Abdominal CT. Axial slice 20/88. 768x768 px. 80-year-old female patient
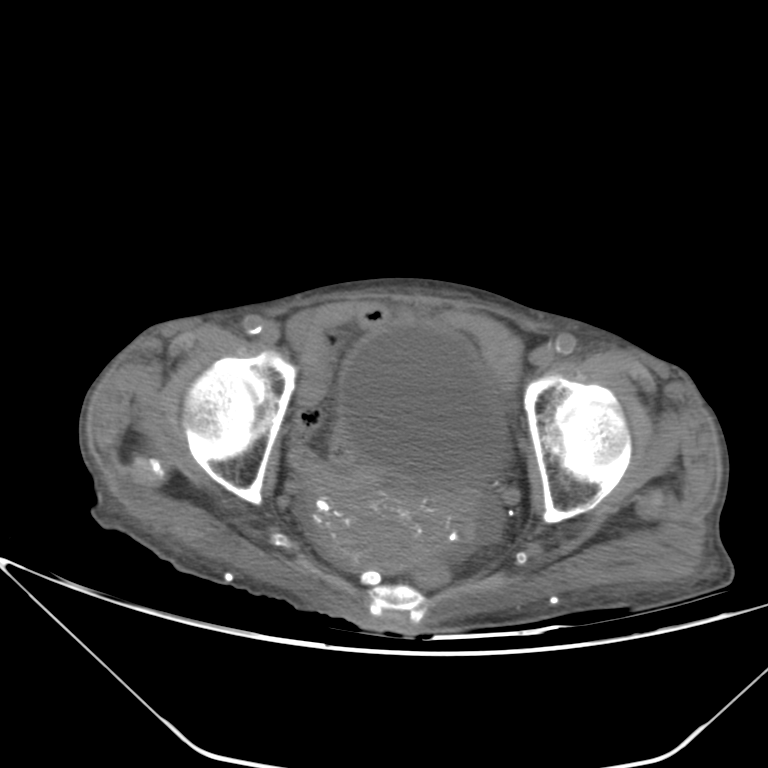

Boxes: x1 y1 x2 y2 (pixel coords, space-separated).
Organ bounding boxes:
- bladder: 338 321 507 477
- prostate/uterus: 311 488 445 571